Lower-chest slice from an abdominal CT, just above the liver and spleen; axial view; soft-tissue window, W/L 400/40
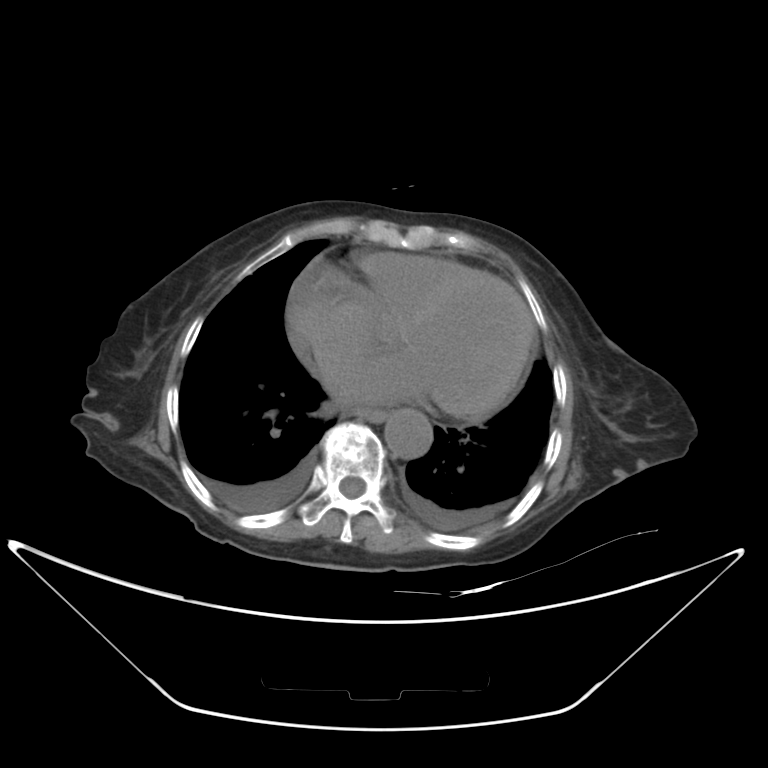

No part of the heart or lungs is labeled in this dataset, so neither has a box here. Coordinates as <box>x1,y1,x2,y2</box> in pixels. 2 labeled organs on this slice — esophagus at <box>352,407,386,422</box>; aorta at <box>384,409,433,459</box>.